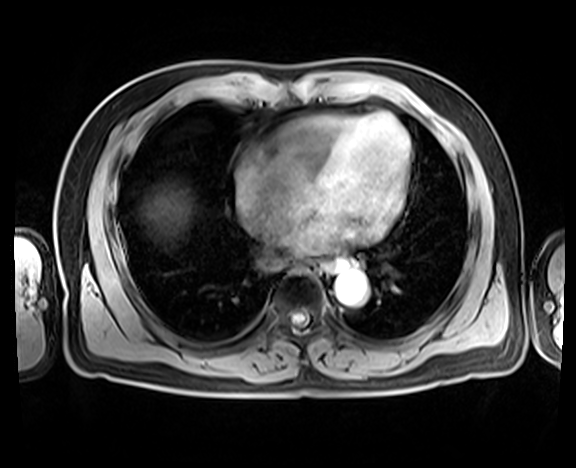

Magnetic resonance imaging, abdomen; axial view; 1st–99th percentile window; acquired on Prisma; scan has 13 labeled organs (a whole-scan count: organs this slice does not pass through have no box)
<organs><organ name="aorta" x1="335" y1="269" x2="368" y2="305"/><organ name="esophagus" x1="313" y1="257" x2="346" y2="275"/><organ name="liver" x1="153" y1="196" x2="183" y2="227"/></organs>